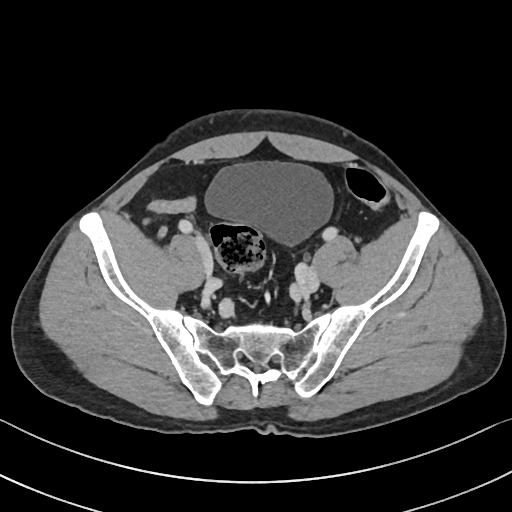

Computed tomography, abdomen. axial view. soft-tissue window
{"organs":{"bladder":[204,162,333,246]}}